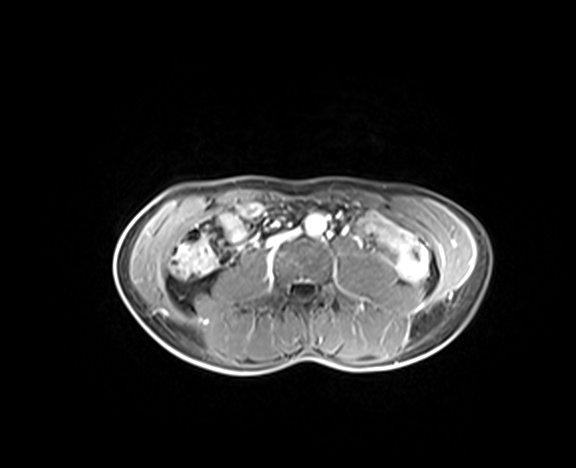

MRI, abdomen. axial plane, index 13. scan has 13 labeled organs (that count is for the whole scan; organs this slice misses have no box)
Each box given as x1,y1,x2,y2.
aorta: x1=305, y1=214, x2=326, y2=235
inferior vena cava: x1=267, y1=232, x2=294, y2=246